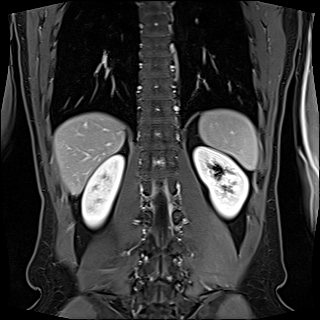

MRI, abdomen; coronal acquisition; 320x320 px
Coordinates as <box>x1,y1,x2,y2</box> in pixels.
spleen: <box>199,109,257,169</box>
right kidney: <box>81,154,124,227</box>
left kidney: <box>193,146,248,218</box>
liver: <box>53,113,124,194</box>